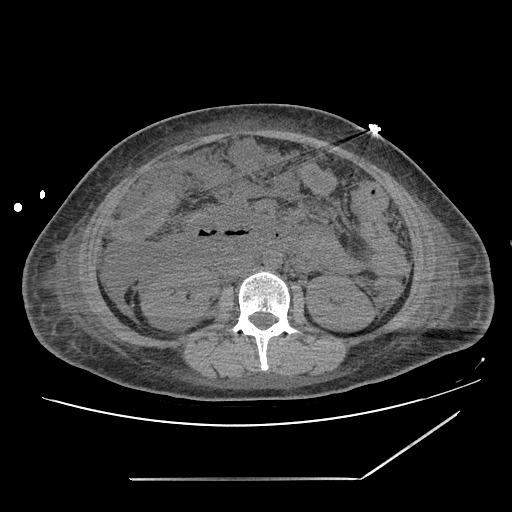

Computed tomography, abdomen. axial view
<organs><organ name="right kidney" x1="139" y1="266" x2="215" y2="329"/><organ name="inferior vena cava" x1="223" y1="255" x2="253" y2="277"/><organ name="aorta" x1="263" y1="251" x2="282" y2="269"/><organ name="left kidney" x1="305" y1="274" x2="375" y2="331"/></organs>